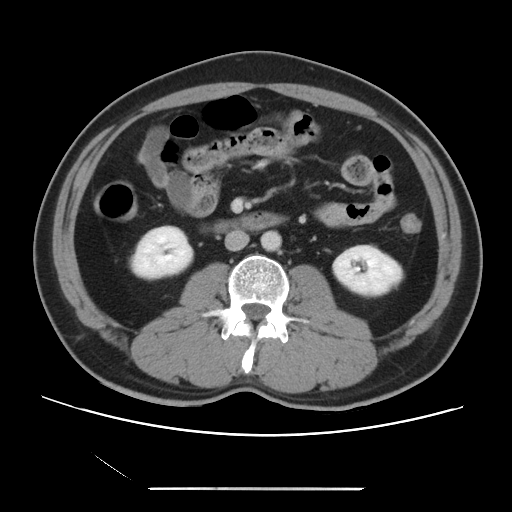 Computed tomography, abdomen; axial view
<organs><organ name="inferior vena cava" x1="225" y1="230" x2="249" y2="251"/><organ name="duodenum" x1="215" y1="212" x2="282" y2="231"/><organ name="right kidney" x1="130" y1="226" x2="192" y2="278"/><organ name="left kidney" x1="333" y1="245" x2="402" y2="295"/><organ name="aorta" x1="260" y1="230" x2="281" y2="251"/></organs>